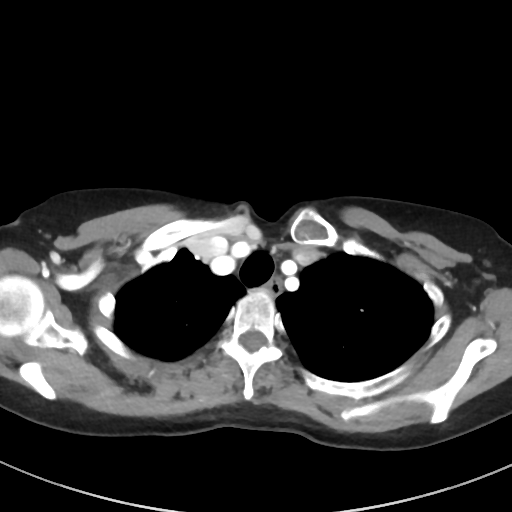

CT of the abdomen extending into the chest, slice through the chest — axial plane, index 111
On a slice this high in the chest, this dataset labels only the esophagus and the aorta, and each is boxed only where it is labeled; the heart, lungs and other chest structures are not labeled.
Each box given as x1,y1,x2,y2.
esophagus: x1=267, y1=278, x2=280, y2=296